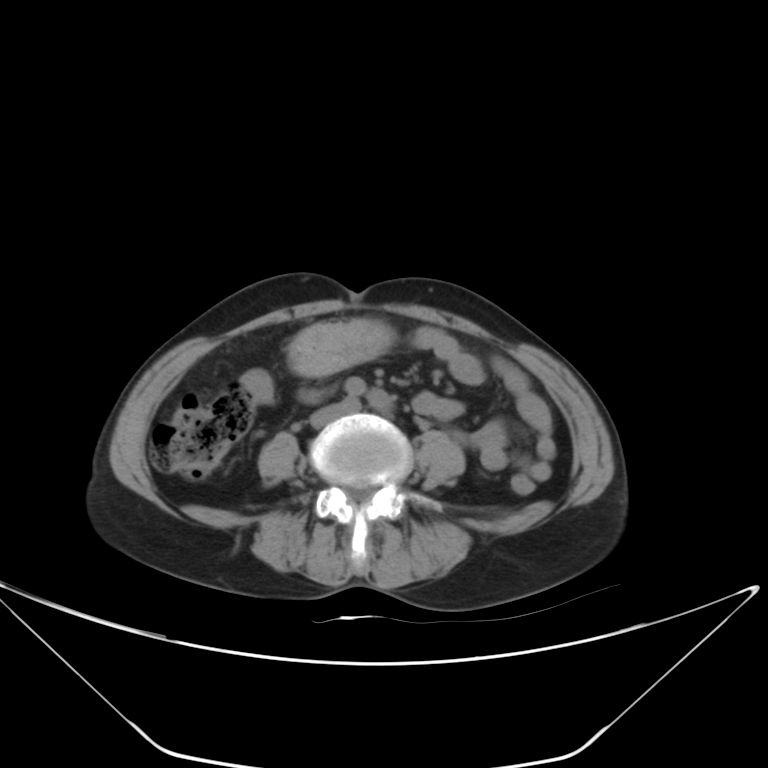 CT, abdomen/pelvis · axial view · acquired on Brilliance16
Boxes are (x1, y1, x2, y2) in pixels. The annotated organs in this slice are: stomach at (290, 322, 387, 375), inferior vena cava at (310, 404, 344, 427).